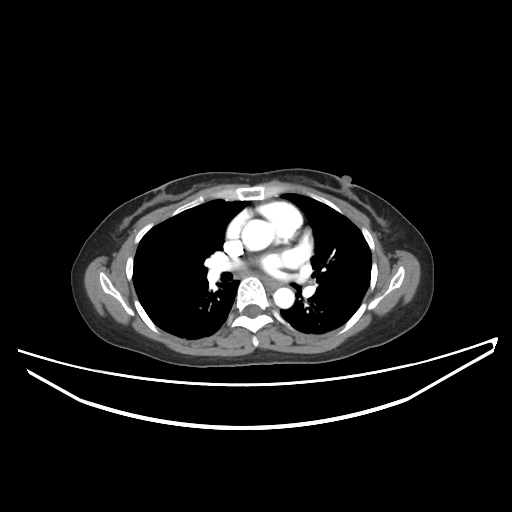
CT of the abdomen extending into the chest, slice through the chest — Axial slice 104/126 — soft-tissue window (W 400 / L 40) — Aquilion ONE scanner
On a slice this high in the chest, this dataset labels only the esophagus and the aorta, and each is boxed only where it is labeled; the heart, lungs and other chest structures are not labeled.
<organs><organ name="esophagus" x1="262" y1="277" x2="276" y2="287"/><organ name="aorta" x1="241" y1="219" x2="274" y2="251"/><organ name="aorta" x1="273" y1="287" x2="294" y2="308"/></organs>